Abdominal CT · axial view · 65-year-old male patient
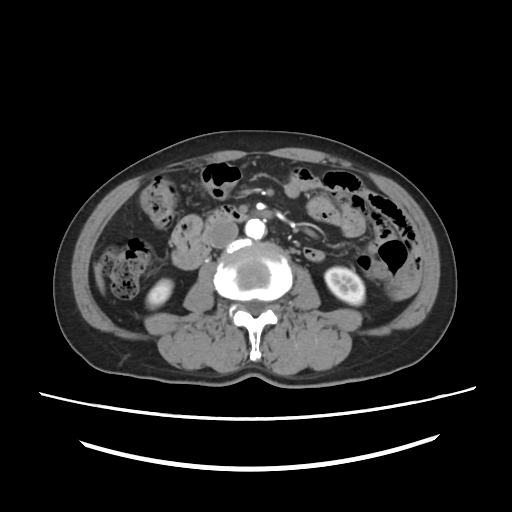 <organs><organ name="right kidney" x1="146" y1="279" x2="172" y2="308"/><organ name="left kidney" x1="325" y1="267" x2="364" y2="305"/><organ name="liver" x1="94" y1="264" x2="104" y2="292"/><organ name="aorta" x1="245" y1="219" x2="265" y2="239"/><organ name="inferior vena cava" x1="208" y1="221" x2="238" y2="248"/><organ name="duodenum" x1="172" y1="207" x2="246" y2="269"/></organs>